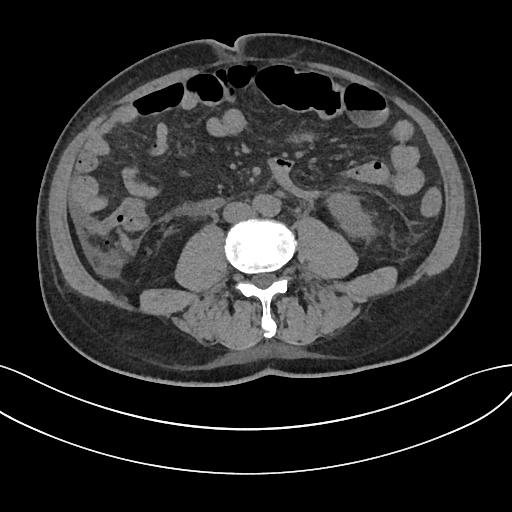

Abdominal CT — axial view — soft-tissue window (W 400 / L 40) — acquired on SOMATOM Force
<organs><organ name="left kidney" x1="327" y1="193" x2="374" y2="238"/><organ name="aorta" x1="253" y1="194" x2="280" y2="216"/><organ name="inferior vena cava" x1="223" y1="202" x2="254" y2="223"/><organ name="duodenum" x1="198" y1="198" x2="224" y2="211"/></organs>